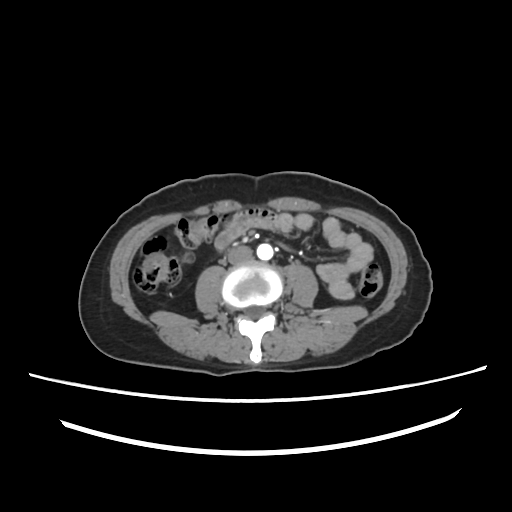
CT abdomen · axial view · 45-year-old female patient · scan has 15 labeled organs (a whole-scan count: organs this slice does not pass through have no box)
Boxes: x1 y1 x2 y2 (pixel coords, space-separated). Labeled organs on this slice: aorta at 256 243 273 260, inferior vena cava at 227 245 253 265.